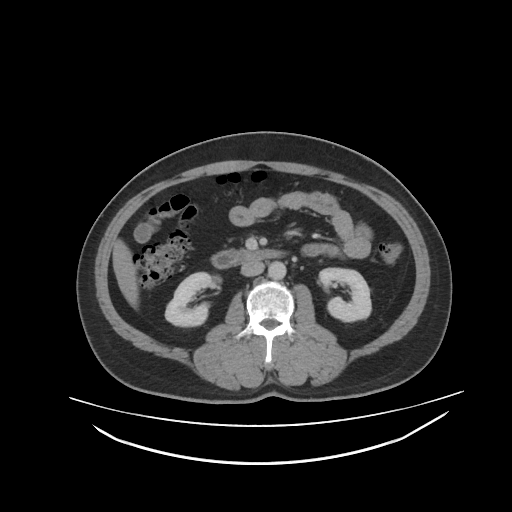

CT abdomen; Axial slice 62/96; 512x512 px; scan has 15 labeled organs (counted over the whole 3D scan, not this slice; an organ is boxed only where this slice passes through it)
Box edges are left/top/right/bottom in pixels. Labeled organs on this slice: right kidney at left=165, top=273, right=211, bottom=326, left kidney at left=318, top=268, right=371, bottom=320, liver at left=113, top=239, right=139, bottom=309, aorta at left=267, top=261, right=285, bottom=278, inferior vena cava at left=241, top=262, right=263, bottom=275, duodenum at left=212, top=249, right=284, bottom=267.